CT, abdomen/pelvis · axial view · 512x512 px
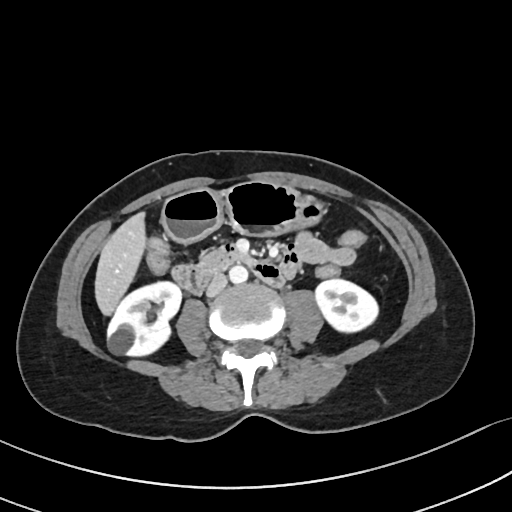
{"organs":{"right kidney":[107,281,181,356],"left kidney":[315,279,378,332],"liver":[94,213,146,315],"stomach":[162,181,325,243],"aorta":[229,265,248,283],"inferior vena cava":[206,274,227,296],"pancreas":[200,253,213,265],"duodenum":[171,245,284,294]}}